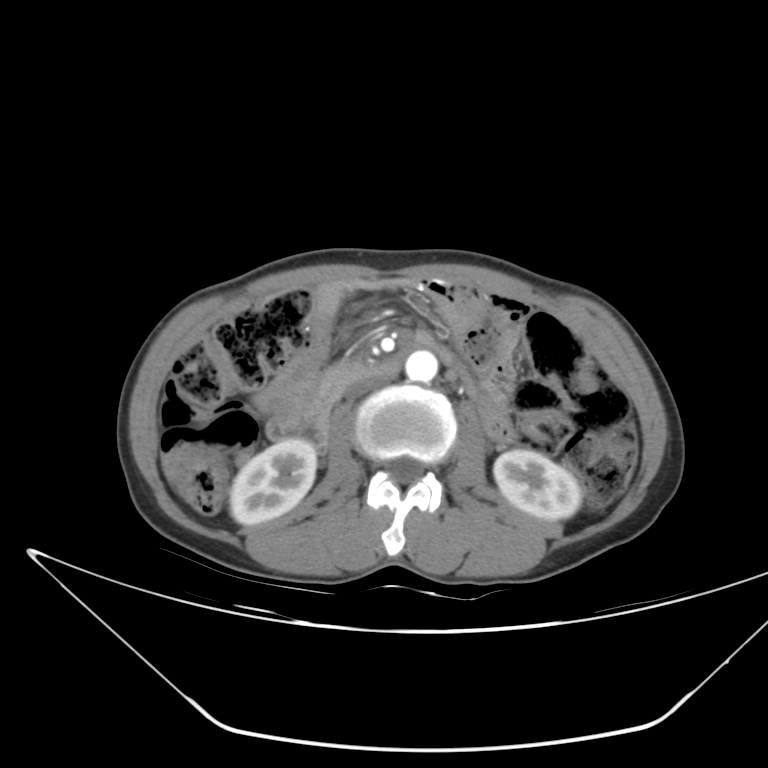
CT, abdomen/pelvis. axial view. 768x768 px
<organs><organ name="right kidney" x1="230" y1="439" x2="316" y2="525"/><organ name="left kidney" x1="494" y1="449" x2="581" y2="519"/><organ name="aorta" x1="405" y1="350" x2="438" y2="382"/><organ name="inferior vena cava" x1="347" y1="375" x2="391" y2="399"/><organ name="duodenum" x1="266" y1="349" x2="408" y2="447"/></organs>